CT, abdomen/pelvis — Axial slice 132/222 — W/L 400/40 HU — 512x512 px
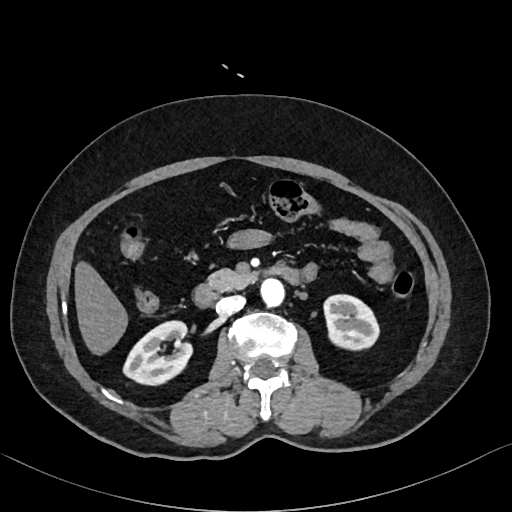

Bounding boxes in pixels, one row per box: x1, y1 is the top-left corner and x2, y2 the bottom-right.
| organ | x1 | y1 | x2 | y2 |
|---|---|---|---|---|
| right kidney | 124 | 321 | 191 | 385 |
| left kidney | 324 | 295 | 378 | 349 |
| liver | 74 | 262 | 126 | 353 |
| aorta | 260 | 277 | 284 | 306 |
| inferior vena cava | 217 | 295 | 245 | 315 |
| pancreas | 207 | 269 | 255 | 289 |
| duodenum | 193 | 264 | 300 | 306 |